CT abdomen — Axial slice 28/163
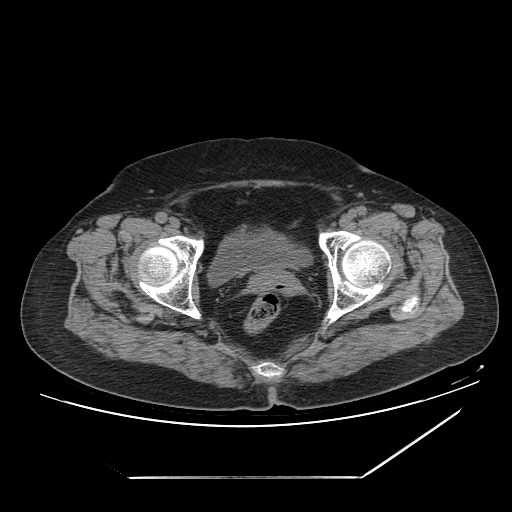 Coordinates as <box>x1,y1,x2,y2</box> in pixels.
Organ bounding boxes:
- prostate/uterus: <box>249,270,289,290</box>
- bladder: <box>208,221,312,286</box>